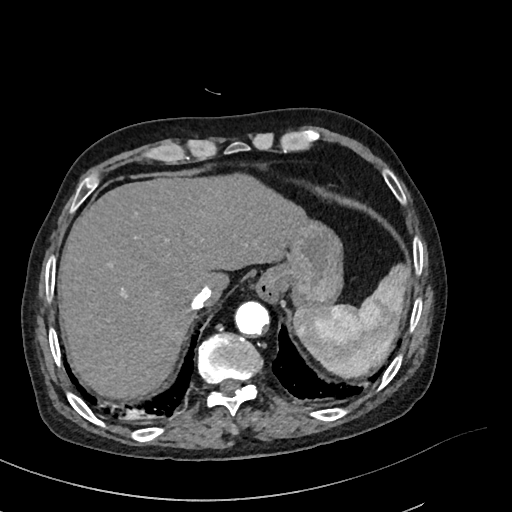

CT, abdomen/pelvis · axial view · soft-tissue window
<organs><organ name="esophagus" x1="257" y1="277" x2="279" y2="302"/><organ name="liver" x1="61" y1="175" x2="303" y2="396"/><organ name="spleen" x1="294" y1="263" x2="409" y2="380"/><organ name="inferior vena cava" x1="189" y1="287" x2="211" y2="310"/><organ name="stomach" x1="261" y1="217" x2="344" y2="309"/><organ name="aorta" x1="235" y1="301" x2="269" y2="335"/></organs>